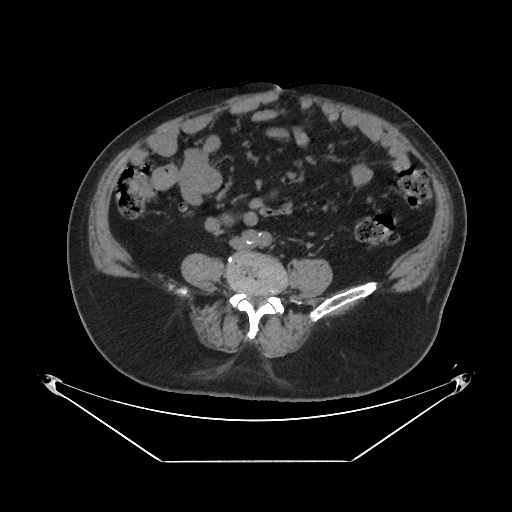 Abdominal CT. axial plane, index 146. W/L 400/40 HU
{"organs":{"inferior vena cava":[230,237,245,248]}}